Computed tomography, abdomen · axial plane, index 148 · abdomen soft-tissue window · 512x512 px
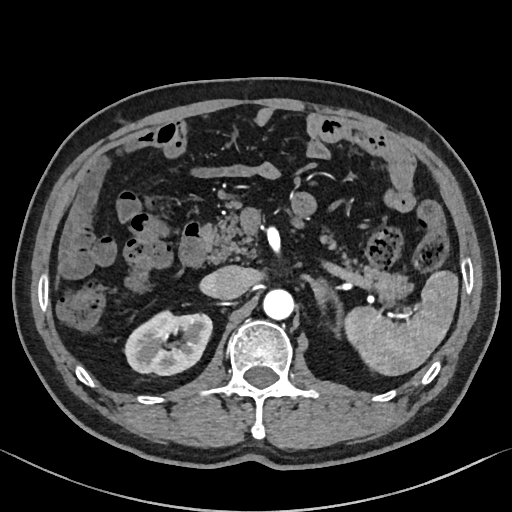 Box edges are left/top/right/bottom in pixels.
Organ bounding boxes:
- spleen: left=344, top=270, right=458, bottom=375
- right kidney: left=125, top=310, right=212, bottom=375
- aorta: left=263, top=288, right=294, bottom=319
- inferior vena cava: left=206, top=266, right=249, bottom=299
- pancreas: left=204, top=202, right=412, bottom=306
- left adrenal gland: left=310, top=279, right=342, bottom=335
- duodenum: left=178, top=221, right=208, bottom=266